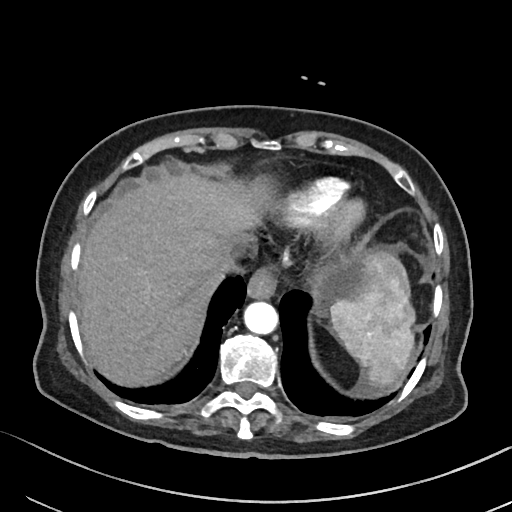 CT abdomen — axial view
Coordinates as <box>x1,y1,x2,y2</box> in pixels.
spleen: <box>330,252,415,389</box>
liver: <box>78,175,271,386</box>
stomach: <box>312,259,367,314</box>
aorta: <box>243,302,278,334</box>
inferior vena cava: <box>217,244,244,274</box>
esophagus: <box>247,268,276,299</box>